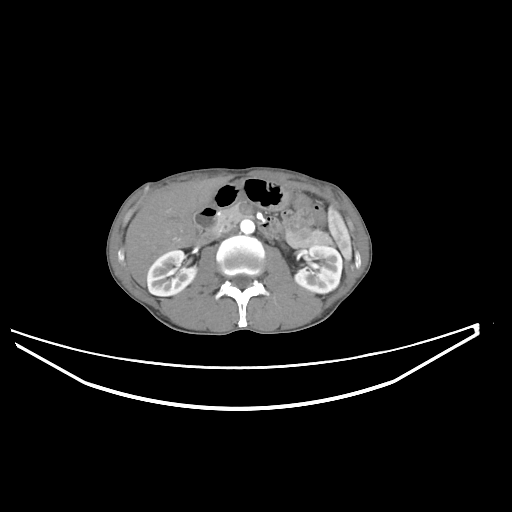 Abdominal CT. axial plane, index 59. soft-tissue window. 512x512 px
Bounding boxes as [x1, y1, x2, y2] in pixel coordinates. The annotated organs in this slice are: spleen at [328, 207, 351, 260], right kidney at [146, 250, 196, 296], left kidney at [295, 244, 342, 293], liver at [125, 179, 225, 286], stomach at [212, 178, 289, 210], aorta at [240, 219, 254, 233], inferior vena cava at [218, 226, 236, 237], pancreas at [213, 206, 330, 247], duodenum at [193, 206, 272, 245].